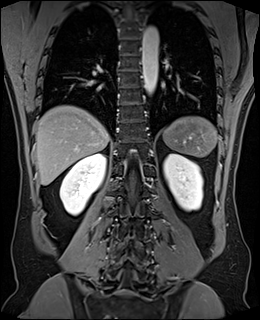 Abdominal MRI. coronal plane, index 42. 1st–99th percentile window. 13 organs annotated in this scan (that count is for the whole scan; organs this slice misses have no box)
Each box given as x1,y1,x2,y2. Labeled organs on this slice: spleen at x1=162, y1=116, x2=217, y2=157, right kidney at x1=60, y1=153, x2=106, y2=215, left kidney at x1=163, y1=153, x2=203, y2=211, liver at x1=35, y1=105, x2=109, y2=185, aorta at x1=142, y1=26, x2=158, y2=94.